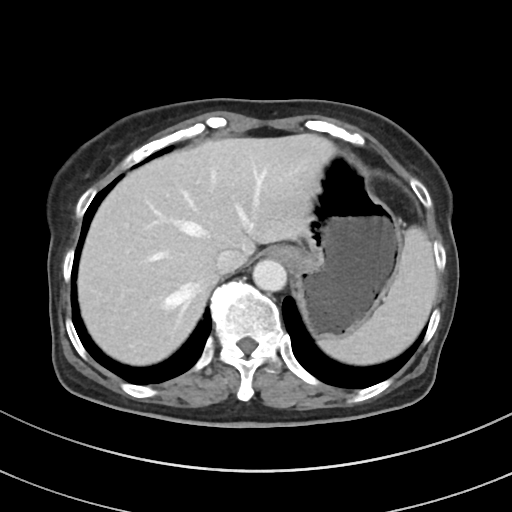
CT, abdomen/pelvis; axial view; 512x512 px; acquired on SOMATOM Force
{"organs":{"spleen":[318,226,437,364],"esophagus":[267,246,297,264],"liver":[77,133,336,365],"stomach":[292,152,402,338],"aorta":[252,259,286,291],"inferior vena cava":[215,248,247,274]}}